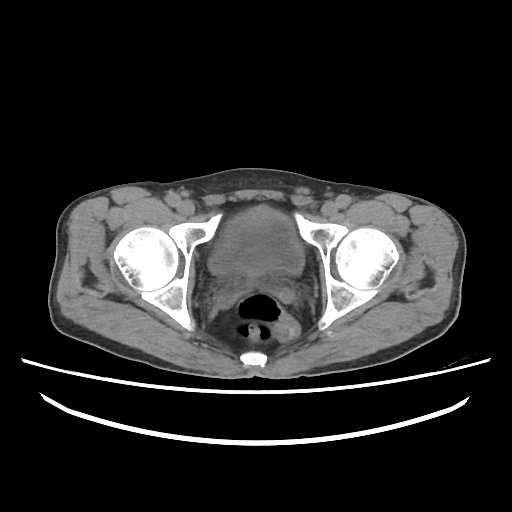

Abdominal CT · Axial slice 21/90 · 54-year-old male patient · acquired on Aquilion ONE
{"organs":{"bladder":[207,206,304,275]}}